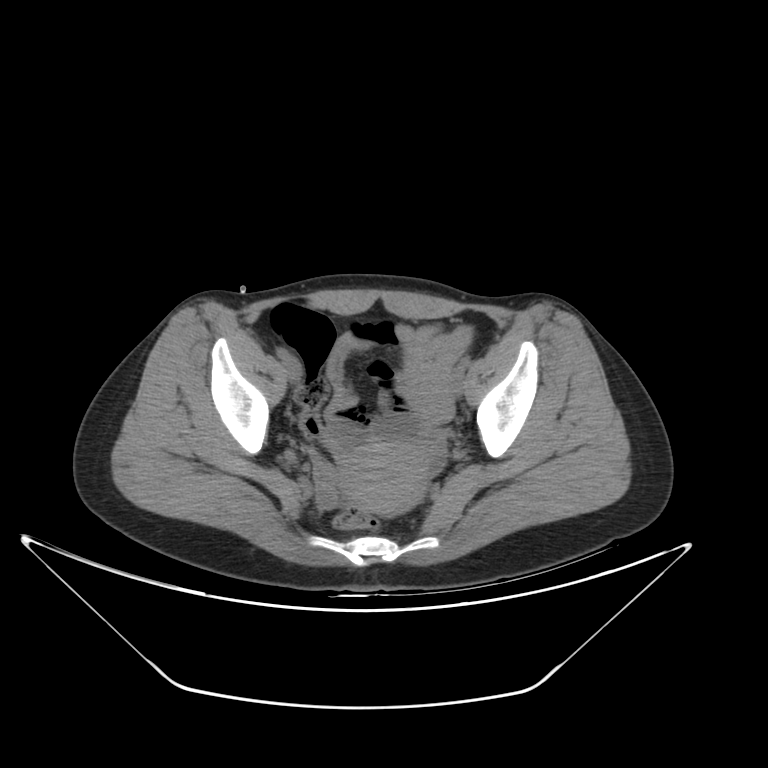 Abdominal CT · axial view · W/L 400/40 HU · 43-year-old female patient
<organs><organ name="prostate/uterus" x1="339" y1="443" x2="428" y2="515"/></organs>